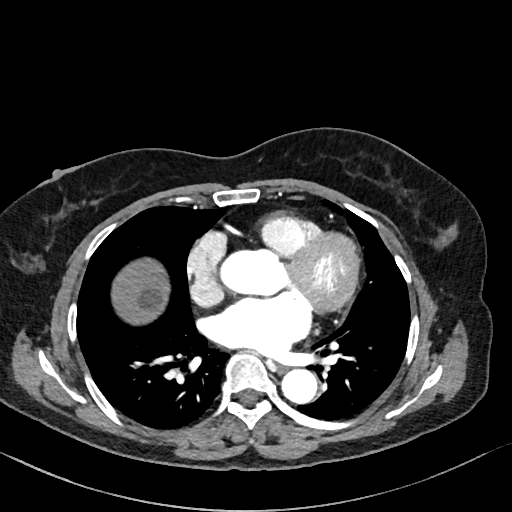
CT abdomen. Axial slice 217/222. soft-tissue window
Coordinates as <box>x1,y1,x2,y2</box> in pixels.
esophagus: <box>278,365,288,373</box>
liver: <box>113,257,170,325</box>
aorta: <box>281,369,317,404</box>